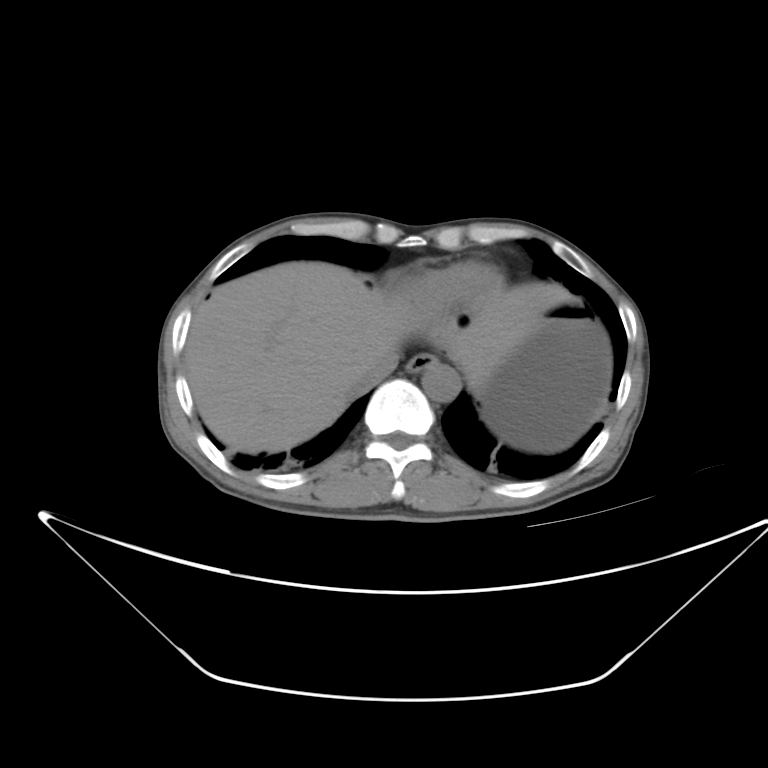 CT abdomen — axial view — W/L 400/40 HU — 768x768 px — 15 organs annotated in this scan (a whole-scan count: organs this slice does not pass through have no box)
<organs><organ name="spleen" x1="526" y1="442" x2="573" y2="453"/><organ name="esophagus" x1="407" y1="353" x2="433" y2="373"/><organ name="liver" x1="185" y1="260" x2="575" y2="453"/><organ name="stomach" x1="468" y1="305" x2="613" y2="453"/><organ name="aorta" x1="420" y1="358" x2="459" y2="400"/><organ name="inferior vena cava" x1="345" y1="352" x2="397" y2="400"/></organs>